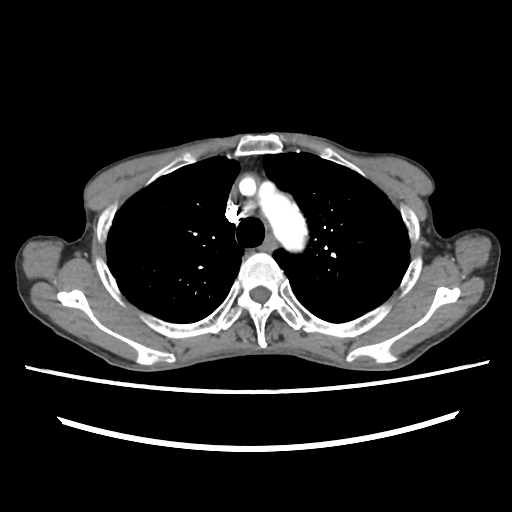

Chest-level CT slice, above the liver and spleen · Axial slice 107/120 · soft-tissue window (W 400 / L 40) · 81-year-old male patient · scan has 15 labeled organs (a whole-scan count: organs this slice does not pass through have no box)
At this level of the chest this dataset labels only the esophagus and the aorta, and each is boxed only where it is labeled; the heart and lungs are never labeled. Coordinates as <box>x1,y1,x2,y2</box> in pixels. 2 labeled organs on this slice — esophagus at <box>260,235,276,252</box>; aorta at <box>259,183,307,251</box>.